Chest-level slice from an abdominal CT that extends up into the chest; Axial slice 290/303; soft-tissue window (W 400 / L 40); 512x512 px; 15 organs annotated in this scan (counted over the whole 3D scan, not this slice; an organ is boxed only where this slice passes through it)
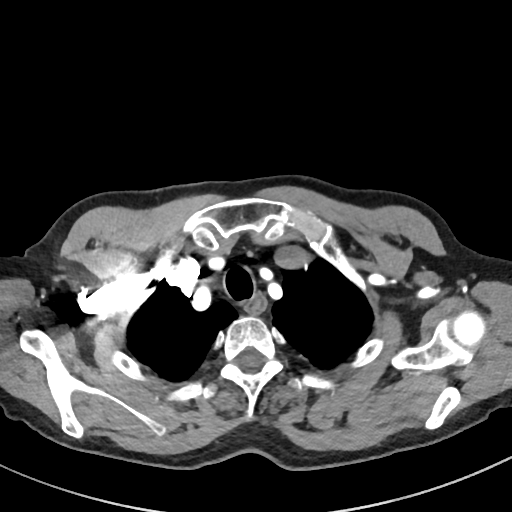

At this level of the chest no structure but the esophagus and the aorta has a label in this dataset, and those two are boxed only where they are labeled.
Box edges are left/top/right/bottom in pixels.
Organ bounding boxes:
- esophagus: left=246, top=295, right=265, bottom=313